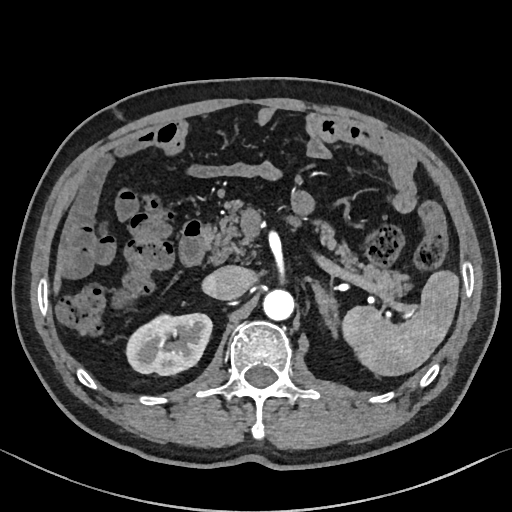 Abdominal CT. axial view. soft-tissue window (W 400 / L 40). scan has 15 labeled organs (a whole-scan count: organs this slice does not pass through have no box)
Boxes are (x1, y1, x2, y2) in pixels.
Organ bounding boxes:
- liver: (53, 264, 60, 292)
- pancreas: (204, 202, 412, 306)
- inferior vena cava: (206, 266, 249, 299)
- spleen: (344, 270, 458, 375)
- aorta: (263, 288, 294, 319)
- duodenum: (178, 221, 208, 266)
- right kidney: (125, 313, 212, 375)
- left adrenal gland: (310, 280, 338, 336)